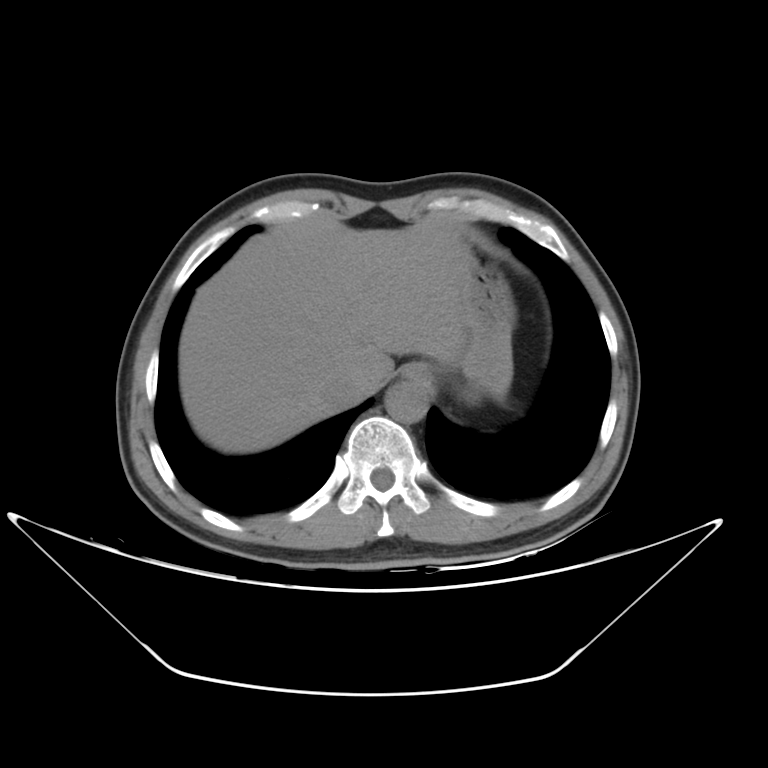

Computed tomography, abdomen — axial view — abdomen soft-tissue window — 53-year-old male patient
Bounding boxes as [x1, y1, x2, y2] in pixel coordinates.
Organ bounding boxes:
- esophagus: [403, 365, 431, 386]
- liver: [179, 222, 463, 451]
- stomach: [449, 231, 513, 400]
- aorta: [385, 381, 428, 423]
- inferior vena cava: [320, 384, 359, 414]